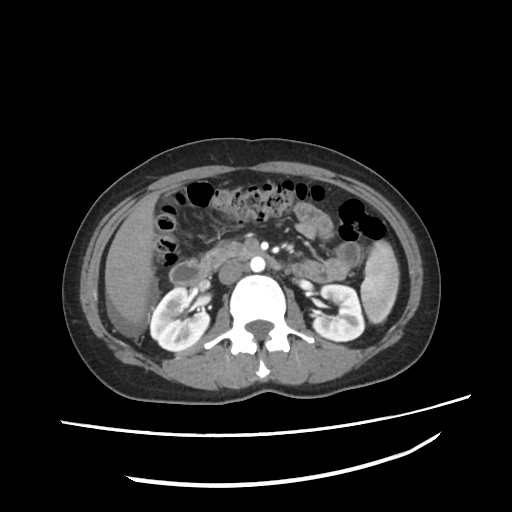
Abdominal CT — Axial slice 53/78 — abdomen soft-tissue window — 47-year-old female patient
{"organs":{"spleen":[360,240,399,323],"right kidney":[149,286,210,350],"left kidney":[312,284,363,341],"liver":[105,194,158,331],"aorta":[250,257,264,272],"inferior vena cava":[218,261,248,283],"pancreas":[200,242,244,271],"duodenum":[169,251,279,285]}}